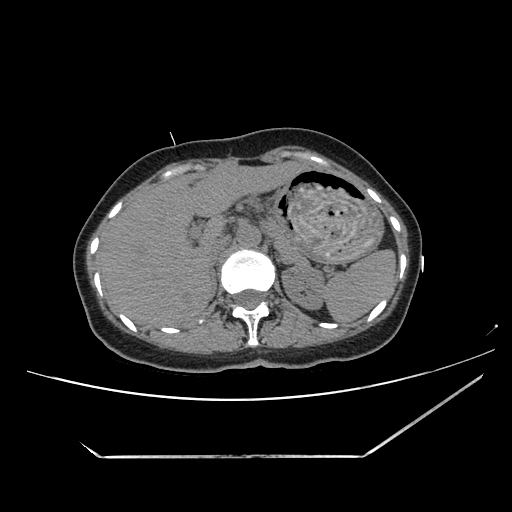

CT abdomen. axial view
{"organs":{"inferior vena cava":[205,237,228,264],"pancreas":[267,219,306,263],"stomach":[273,169,383,262],"liver":[100,161,310,326],"right adrenal gland":[210,270,217,298],"left kidney":[282,263,325,309],"aorta":[236,225,260,247],"left adrenal gland":[277,258,286,263],"spleen":[324,249,395,322]}}